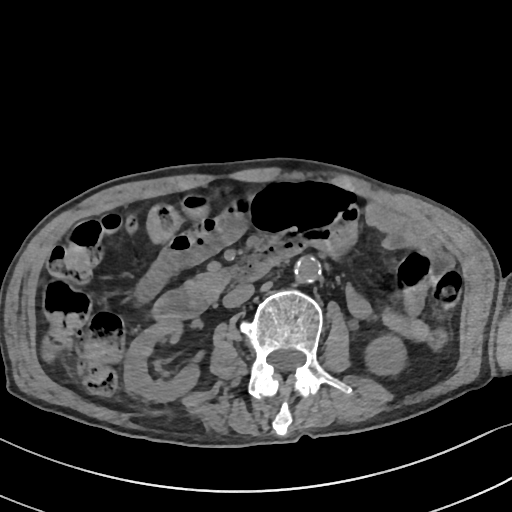
CT abdomen · axial view · 512x512 px · SOMATOM Force scanner
Bounding boxes as [x1, y1, x2, y2] in pixel coordinates. 6 labeled organs on this slice — right kidney at [122, 321, 201, 402]; left kidney at [367, 335, 405, 376]; aorta at [294, 256, 321, 284]; inferior vena cava at [222, 284, 253, 307]; pancreas at [181, 269, 234, 303]; duodenum at [154, 240, 299, 321].